Chest-level slice from an abdominal CT that extends up into the chest. axial view. soft-tissue window. 63-year-old female patient
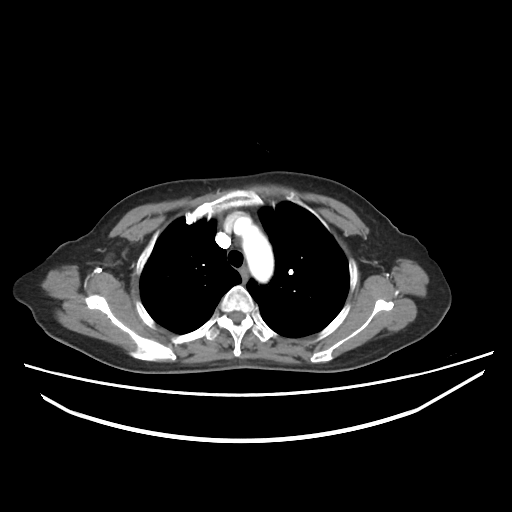 At this level of the chest this dataset labels only the esophagus and the aorta, and each is boxed only where it is labeled; the heart and lungs are never labeled.
Each box given as x1,y1,x2,y2.
aorta: x1=233, y1=216, x2=272, y2=283